Computed tomography, abdomen — axial view — 55-year-old male patient
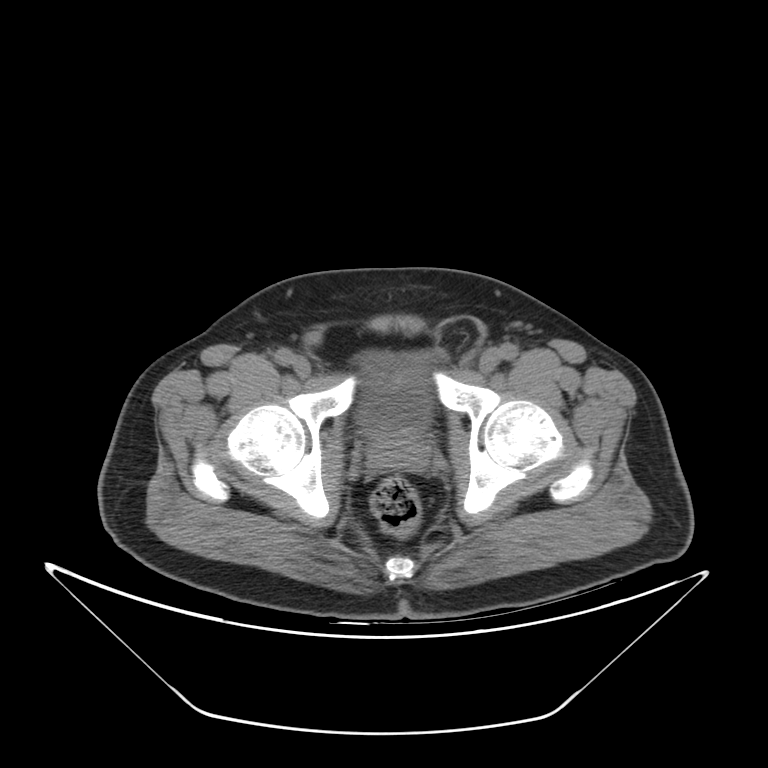
Boxes: x1:y1:x2:y2 in pixels.
bladder: 358:352:431:432
prostate/uterus: 368:428:429:468